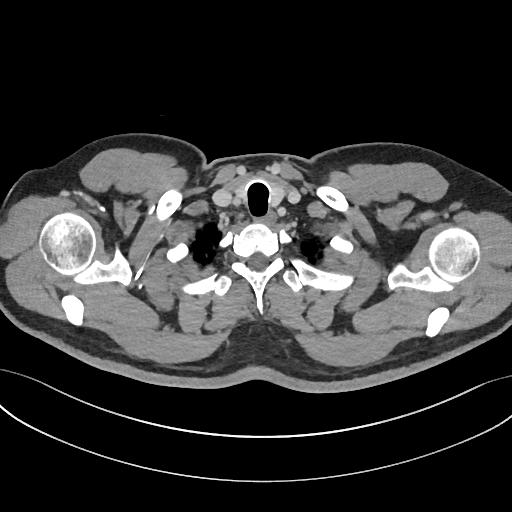
Chest-level CT slice, above the liver and spleen; axial view; soft-tissue window; scan has 15 labeled organs (that count is for the whole scan; organs this slice misses have no box)
At this level of the chest no structure but the esophagus and the aorta has a label in this dataset, and those two are boxed only where they are labeled.
{"organs":{"esophagus":[266,212,275,225]}}